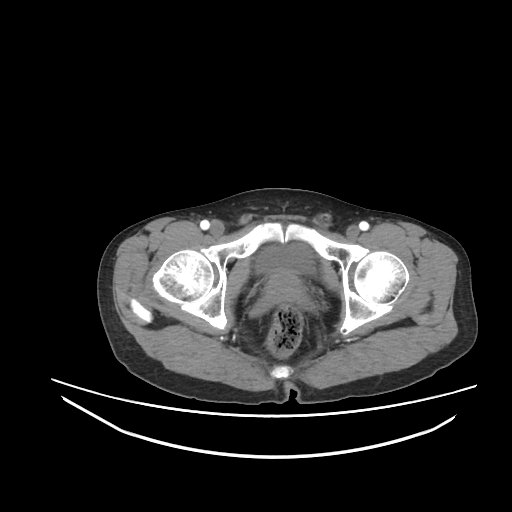
CT, abdomen/pelvis · axial view · soft-tissue window · 52-year-old male patient
Boxes are (x1, y1, x2, y2) in pixels.
Organ bounding boxes:
- prostate/uterus: (265, 271, 304, 302)
- bladder: (256, 243, 313, 273)